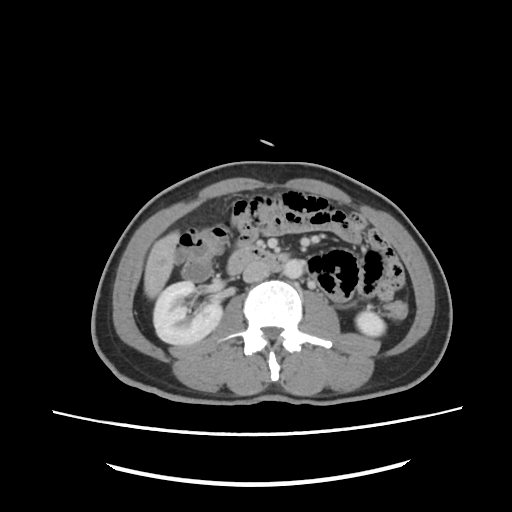
Computed tomography, abdomen — axial view — abdomen soft-tissue window — scan has 15 labeled organs (counted over the whole 3D scan, not this slice; an organ is boxed only where this slice passes through it)
Each box given as x1,y1,x2,y2.
right kidney: x1=153, y1=281, x2=222, y2=344
left kidney: x1=356, y1=311, x2=385, y2=336
liver: x1=144, y1=231, x2=179, y2=298
aorta: x1=283, y1=259, x2=304, y2=278
inferior vena cava: x1=243, y1=261, x2=270, y2=282
duodenum: x1=227, y1=247, x2=286, y2=274